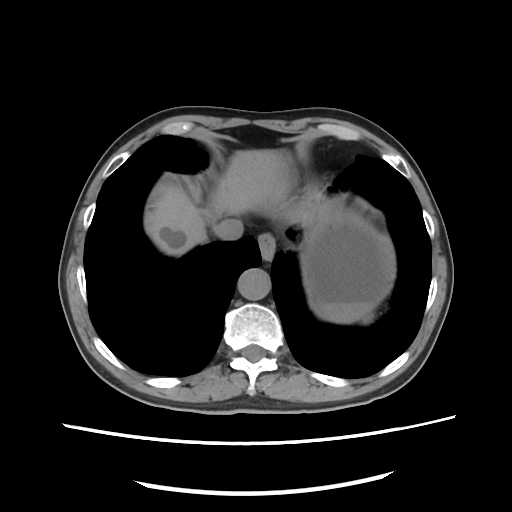
CT abdomen. Axial slice 74/78. scan has 15 labeled organs (that count is for the whole scan; organs this slice misses have no box)
One row per box, in pixels: columns x1 and y1 give the top-left corner, x2 and y2 the bottom-right.
| organ | x1 | y1 | x2 | y2 |
|---|---|---|---|---|
| esophagus | 258 | 233 | 275 | 260 |
| liver | 146 | 150 | 286 | 254 |
| stomach | 301 | 208 | 394 | 320 |
| aorta | 237 | 268 | 270 | 300 |
| inferior vena cava | 214 | 218 | 243 | 240 |